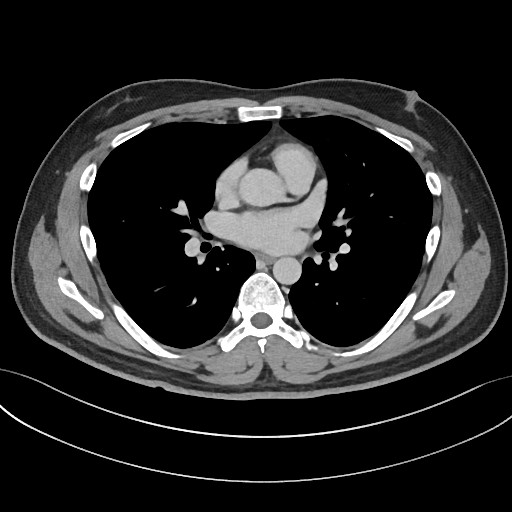 Chest-level slice from an abdominal CT that extends up into the chest · axial plane, index 271 · W/L 400/40 HU · 512x512 px · acquired on SOMATOM Force
At this level of the chest no structure but the esophagus and the aorta has a label in this dataset, and those two are boxed only where they are labeled.
Boxes: x1 y1 x2 y2 (pixel coords, space-separated).
Organ bounding boxes:
- esophagus: 256 254 273 263
- aorta: 240 169 283 205
- aorta: 272 257 301 284